CT, abdomen/pelvis; axial view; soft-tissue window (W 400 / L 40); 512x512 px; 68-year-old female patient
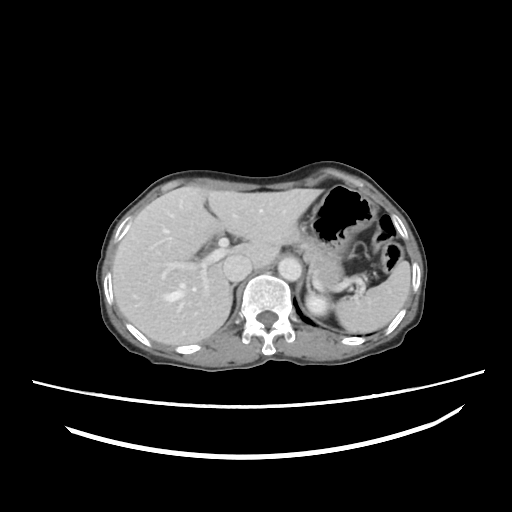
{"organs":{"spleen":[335,259,411,332],"liver":[113,186,321,345],"inferior vena cava":[224,254,252,281],"right adrenal gland":[230,284,234,289],"left kidney":[306,290,332,316],"stomach":[301,184,377,258],"pancreas":[295,230,344,281],"aorta":[278,257,300,279]}}